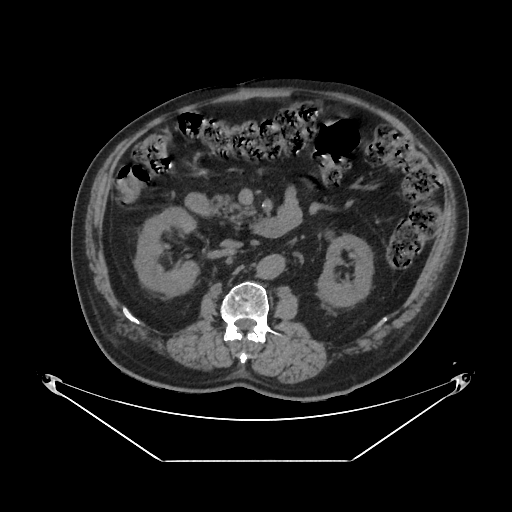
Computed tomography, abdomen. axial view. W/L 400/40 HU
{"organs":{"right kidney":[135,206,197,294],"left kidney":[319,233,372,305],"duodenum":[185,193,292,238],"pancreas":[212,193,252,224],"inferior vena cava":[221,239,242,249],"aorta":[259,253,285,277]}}